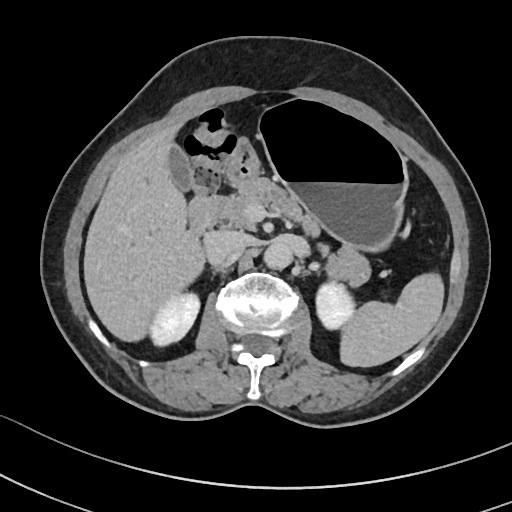
CT, abdomen/pelvis · Axial slice 133/192 · abdomen soft-tissue window · 512x512 px
Boxes: x1:y1:x2:y2 in pixels. The annotated organs in this slice are: right kidney at 150:293:199:346, left kidney at 315:281:353:329, stomach at 223:99:408:251, duodenum at 188:196:213:235, inferior vena cava at 206:229:248:264, pancreas at 203:177:368:287, spleen at 338:267:444:367, liver at 83:119:203:342, aorta at 262:242:291:270, gall bladder at 169:145:191:191.